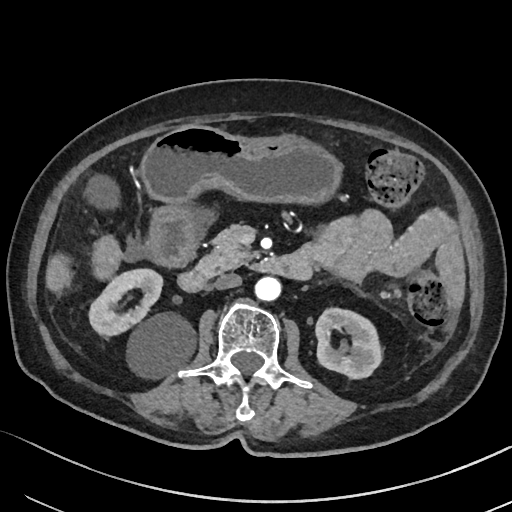 Abdominal CT · axial view · soft-tissue window (W 400 / L 40)
{"organs":{"left kidney":[314,309,380,377],"stomach":[142,126,341,268],"inferior vena cava":[214,273,242,289],"gall bladder":[88,178,115,206],"right kidney":[90,269,193,375],"pancreas":[195,226,259,276],"liver":[47,256,68,290],"duodenum":[177,255,312,292],"aorta":[256,276,282,300]}}